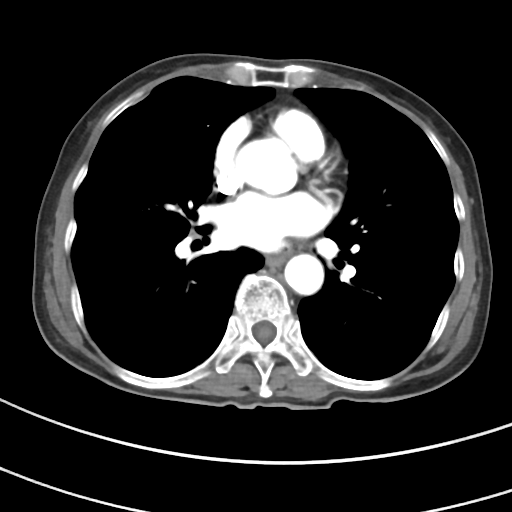
Abdominal CT reaching into the chest; this slice is in the chest. Axial slice 88/118. acquired on SOMATOM Force. 15 organs annotated in this scan (counted over the whole 3D scan, not this slice; an organ is boxed only where this slice passes through it)
On a slice this high in the chest, this dataset labels only the esophagus and the aorta, and each is boxed only where it is labeled; the heart, lungs and other chest structures are not labeled.
{"organs":{"esophagus":[267,254,284,265],"aorta":[[235,139,297,195],[284,254,323,294]]}}